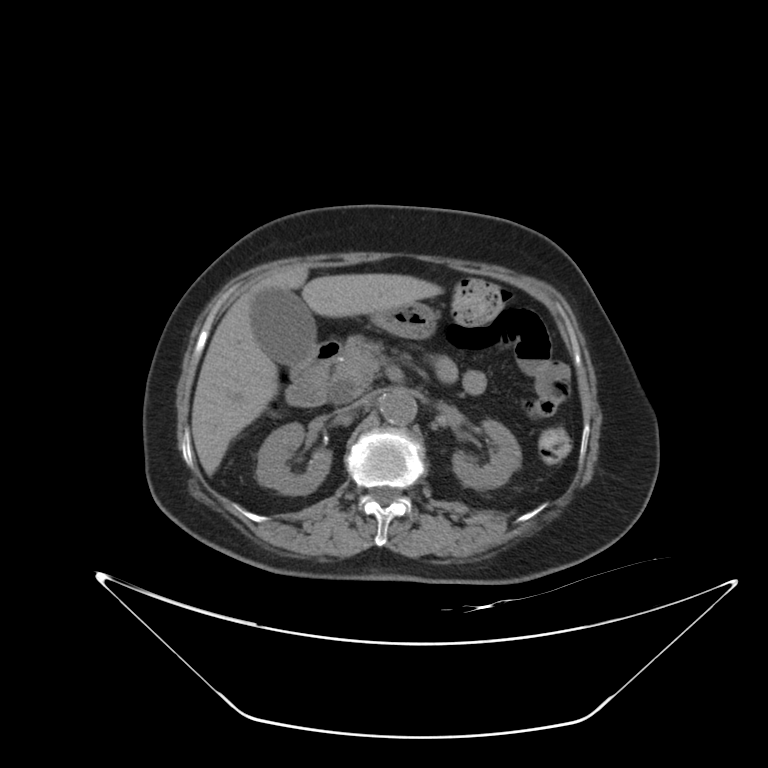
CT, abdomen/pelvis — axial plane, index 61 — abdomen soft-tissue window — 768x768 px
<organs><organ name="right kidney" x1="256" y1="423" x2="331" y2="495"/><organ name="left kidney" x1="453" y1="420" x2="520" y2="488"/><organ name="gall bladder" x1="252" y1="288" x2="316" y2="365"/><organ name="liver" x1="191" y1="265" x2="443" y2="476"/><organ name="stomach" x1="371" y1="302" x2="438" y2="338"/><organ name="aorta" x1="380" y1="390" x2="417" y2="424"/><organ name="inferior vena cava" x1="339" y1="400" x2="361" y2="412"/><organ name="pancreas" x1="331" y1="335" x2="383" y2="394"/><organ name="duodenum" x1="285" y1="341" x2="341" y2="406"/></organs>